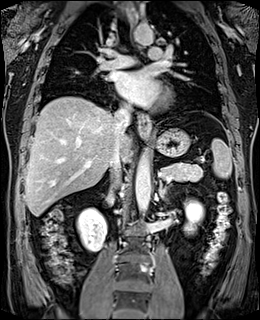 MRI, abdomen; coronal view; percentile-normalized
{"organs":{"spleen":[212,138,231,178],"right kidney":[77,208,106,252],"left kidney":[184,200,203,234],"esophagus":[138,113,150,137],"liver":[25,96,131,216],"stomach":[155,128,190,157],"aorta":[[135,149,150,213],[133,24,153,44]],"inferior vena cava":[110,105,130,187],"pancreas":[161,163,202,181],"left adrenal gland":[159,180,169,202]}}